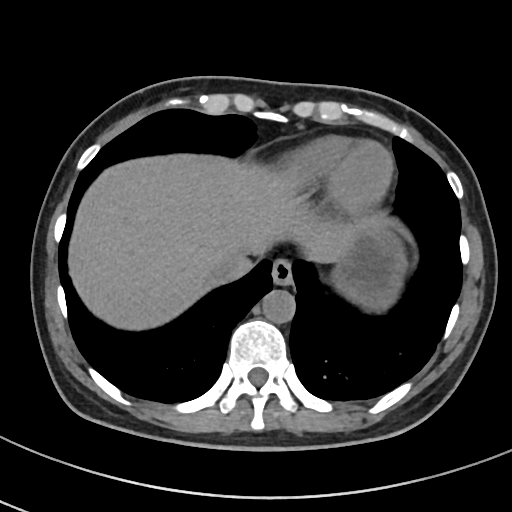 Abdominal CT; axial view
Coordinates as <box>x1,y1,x2,y2</box> in pixels. The annotated organs in this slice are: esophagus at <box>271,259,292,286</box>, liver at <box>69,157,392,328</box>, stomach at <box>333,230,404,308</box>, aorta at <box>263,290,295,323</box>, inferior vena cava at <box>209,263,231,281</box>.